CT, abdomen/pelvis — axial view
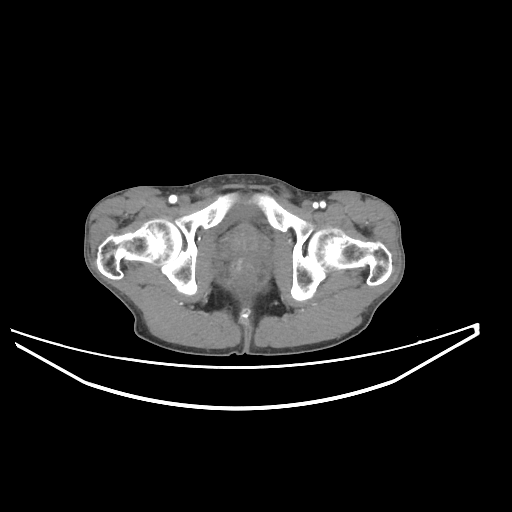 Boxes: x1 y1 x2 y2 (pixel coords, space-separated). The annotated organs in this slice are: prostate/uterus at 224 226 266 263, bladder at 226 201 258 222.